Abdominal CT — Axial slice 214/314 — abdomen soft-tissue window
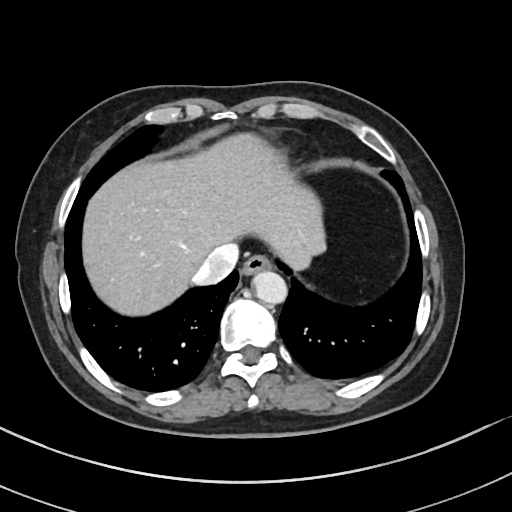

Coordinates as <box>x1,y1,x2,y2</box> in pixels. The annotated organs in this slice are: liver at <box>82,133,324,315</box>, inferior vena cava at <box>192,243,238,285</box>, aorta at <box>252,270,287,304</box>, esophagus at <box>241,254,270,275</box>.